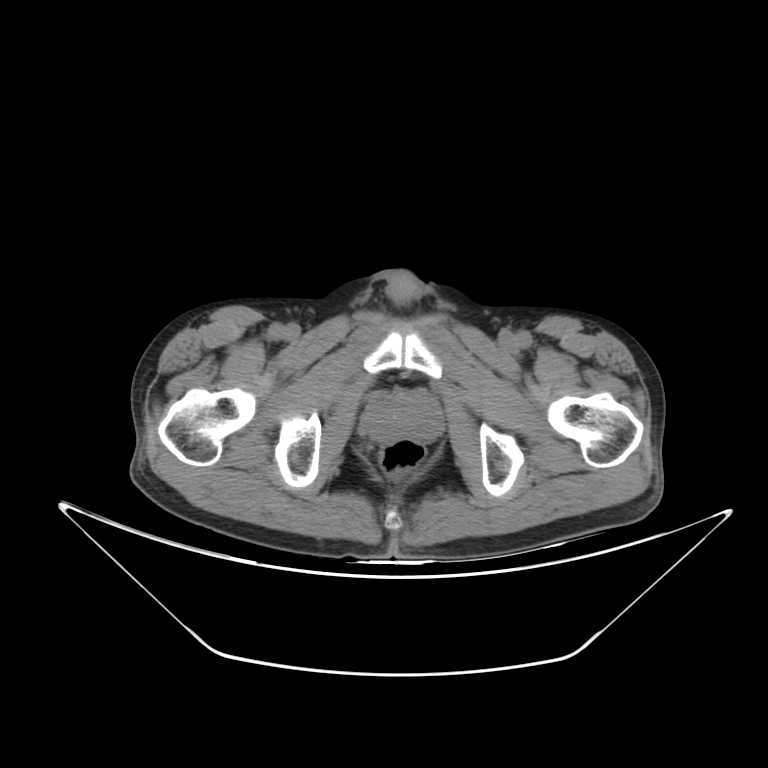

Abdominal CT — axial view
Each box given as x1,y1,x2,y2. Labeled organs on this slice: prostate/uterus at x1=366, y1=392, x2=437, y2=442.